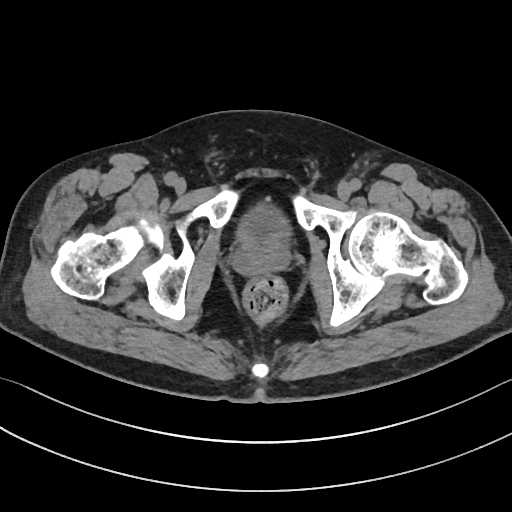 CT, abdomen/pelvis; axial view; soft-tissue window (W 400 / L 40); scan has 15 labeled organs (a whole-scan count: organs this slice does not pass through have no box)
Coordinates as <box>x1,y1,x2,y2</box> in pixels.
Organ bounding boxes:
- bladder: <box>239,207,288,240</box>
- prostate/uterus: <box>233,239,289,275</box>